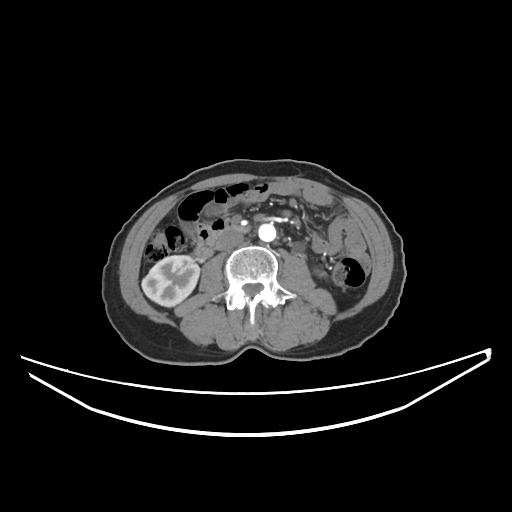
CT abdomen; axial view; 15 organs annotated in this scan (a whole-scan count: organs this slice does not pass through have no box)
{"organs":{"right kidney":[142,255,199,306],"aorta":[258,223,276,241],"inferior vena cava":[216,231,243,250],"duodenum":[194,220,244,258]}}